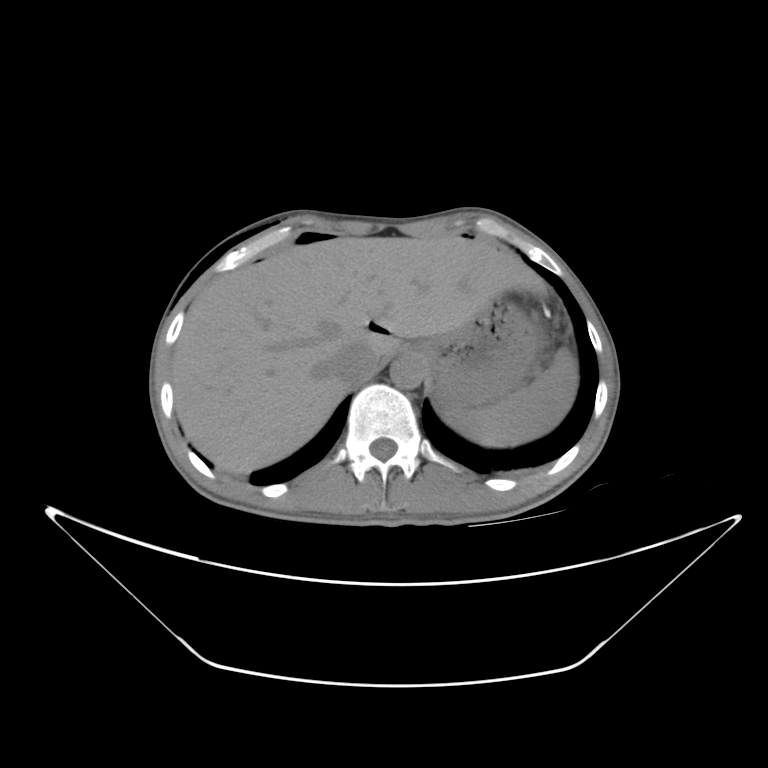 CT abdomen. Axial slice 80/95. soft-tissue window (W 400 / L 40). 33-year-old male patient
One row per box, in pixels: columns x1 and y1 give the top-left corner, x2 and y2 the bottom-right.
| organ | x1 | y1 | x2 | y2 |
|---|---|---|---|---|
| aorta | 390 | 358 | 424 | 387 |
| liver | 172 | 237 | 544 | 472 |
| spleen | 444 | 351 | 574 | 447 |
| stomach | 404 | 298 | 540 | 408 |
| inferior vena cava | 326 | 341 | 378 | 379 |